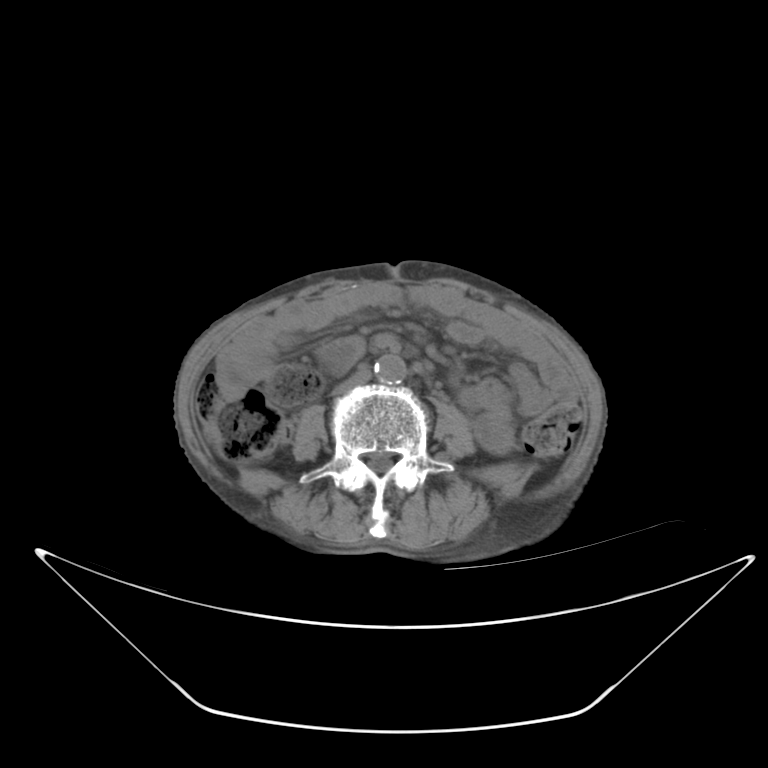 Abdominal CT · Axial slice 51/95 · W/L 400/40 HU · 768x768 px · 68-year-old male patient
Boxes: x1 y1 x2 y2 (pixel coords, space-separated).
aorta: 374 354 406 385
inferior vena cava: 333 370 371 394